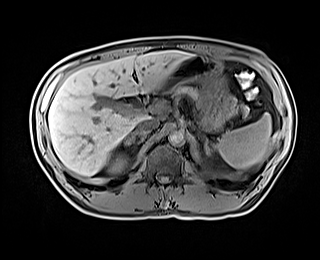 Magnetic resonance imaging, abdomen; Axial slice 50/72; percentile-normalized; Prisma scanner; scan has 13 labeled organs (counted over the whole 3D scan, not this slice; an organ is boxed only where this slice passes through it)
One row per box, in pixels: columns x1 and y1 give the top-left corner, x2 and y2 the bottom-right.
| organ | x1 | y1 | x2 | y2 |
|---|---|---|---|---|
| spleen | 216 | 113 | 271 | 168 |
| right kidney | 109 | 154 | 126 | 173 |
| liver | 48 | 50 | 192 | 175 |
| stomach | 160 | 55 | 231 | 130 |
| aorta | 169 | 130 | 183 | 145 |
| inferior vena cava | 136 | 118 | 159 | 131 |
| pancreas | 173 | 85 | 248 | 117 |
| right adrenal gland | 124 | 130 | 147 | 145 |
| left adrenal gland | 204 | 137 | 211 | 156 |